Abdominal CT — axial view — 512x512 px — 52-year-old male patient — Aquilion ONE scanner
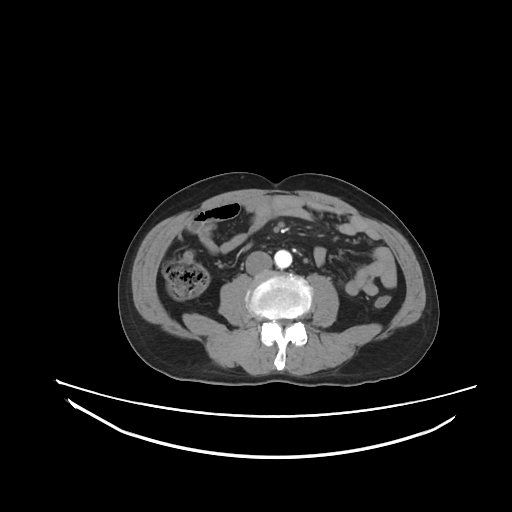 Box edges are left/top/right/bottom in pixels.
Organ bounding boxes:
- aorta: left=274, top=249, right=292, bottom=268
- inferior vena cava: left=245, top=251, right=272, bottom=274